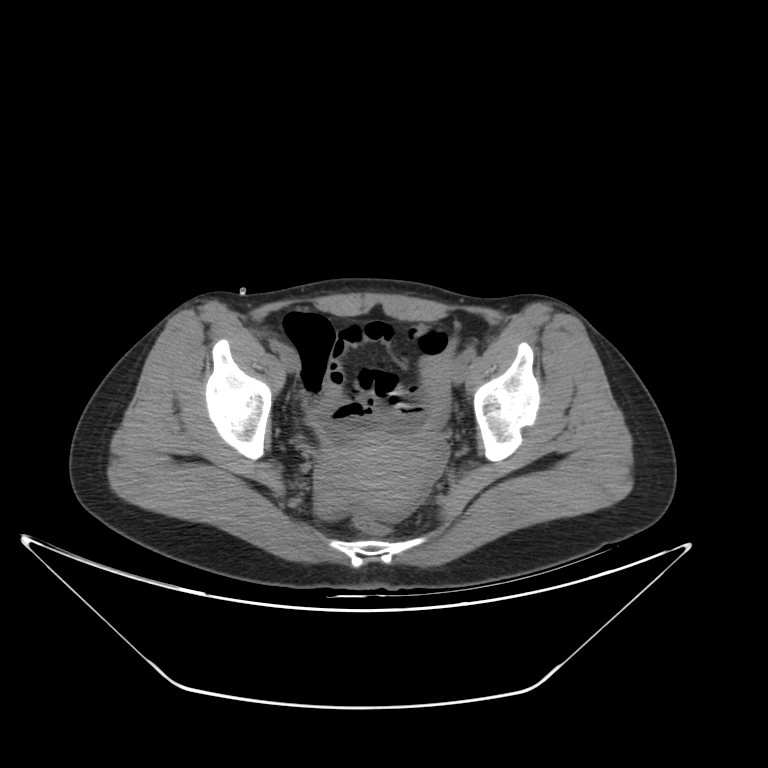

Abdominal CT · axial view · 43-year-old female patient
{"organs":{"prostate/uterus":[322,432,425,512]}}